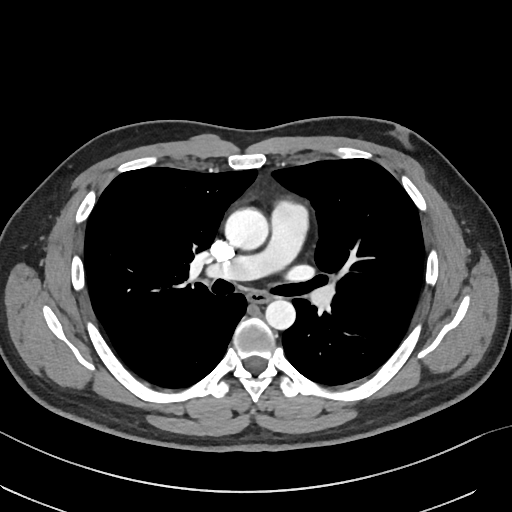

Abdominal CT reaching into the chest; this slice is in the chest; axial view; soft-tissue window, W/L 400/40
At this level of the chest this dataset labels only the esophagus and the aorta, and each is boxed only where it is labeled; the heart and lungs are never labeled.
Each box given as x1,y1,x2,y2.
Organ bounding boxes:
- esophagus: x1=248, y1=291, x2=271, y2=303
- aorta: x1=225, y1=208, x2=269, y2=250
- aorta: x1=265, y1=299, x2=295, y2=329